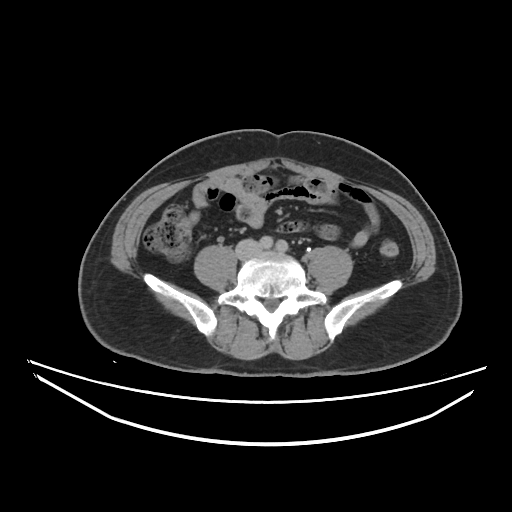

Computed tomography, abdomen · axial view · 512x512 px · acquired on Aquilion ONE · scan has 15 labeled organs (counted over the whole 3D scan, not this slice; an organ is boxed only where this slice passes through it)
Boxes: x1 y1 x2 y2 (pixel coords, space-separated). 1 labeled organ on this slice — inferior vena cava at 236 239 261 260.